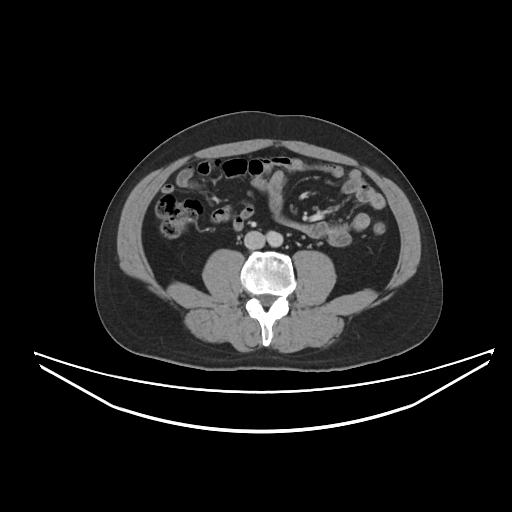
Computed tomography, abdomen. Axial slice 47/131. 40-year-old male patient. scan has 15 labeled organs (counted over the whole 3D scan, not this slice; an organ is boxed only where this slice passes through it)
<organs><organ name="aorta" x1="266" y1="231" x2="283" y2="247"/><organ name="inferior vena cava" x1="244" y1="231" x2="265" y2="249"/></organs>